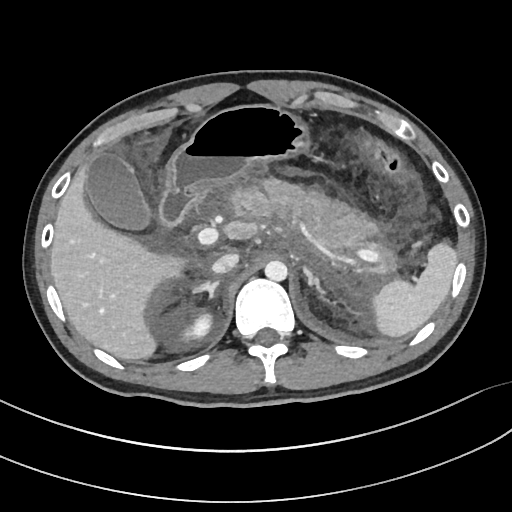
Computed tomography, abdomen; axial plane, index 179; soft-tissue window
Box edges are left/top/right/bottom in pixels. Labeled organs on this slice: aorta at left=264, top=260, right=287, bottom=281, gall bladder at left=86, top=151, right=150, bottom=229, right kidney at left=179, top=309, right=212, bottom=340, right adrenal gland at left=192, top=279, right=219, bottom=298, stomach at left=166, top=104, right=309, bottom=197, spleen at left=372, top=243, right=457, bottom=337, inferior vena cava at left=212, top=253, right=239, bottom=273, pancreas at left=230, top=179, right=393, bottom=272, liver at left=50, top=165, right=184, bottom=360, left adrenal gland at left=303, top=265, right=327, bottom=295, duodenum at left=158, top=191, right=199, bottom=228.